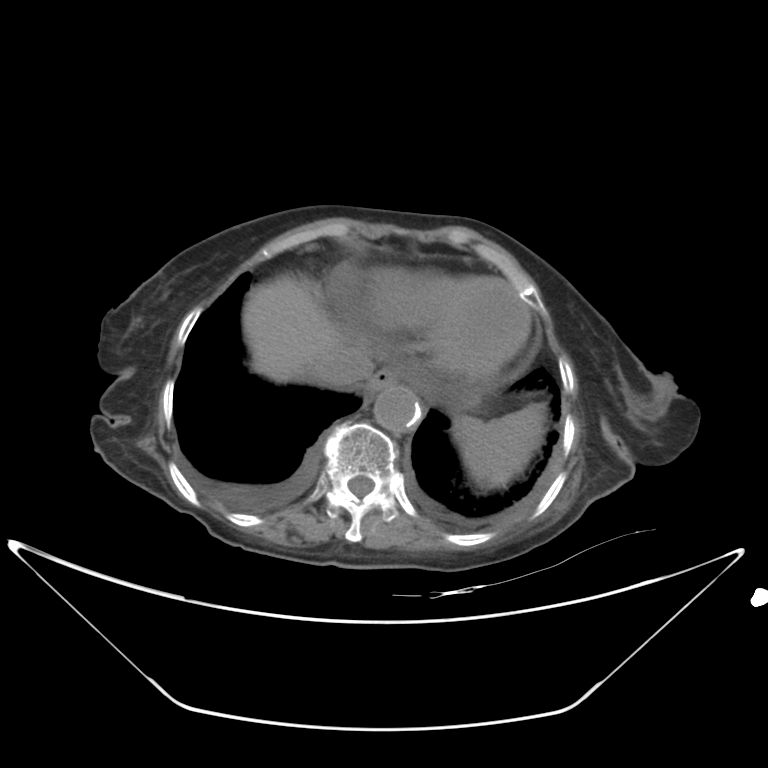
CT abdomen — axial view — soft-tissue window (W 400 / L 40) — 15 organs annotated in this scan (counted over the whole 3D scan, not this slice; an organ is boxed only where this slice passes through it)
Boxes: x1:y1:x2:y2 in pixels.
inferior vena cava: 315:349:373:388
liver: 242:276:365:382
aorta: 373:385:422:433
spleen: 453:403:545:488
esophagus: 365:369:397:398